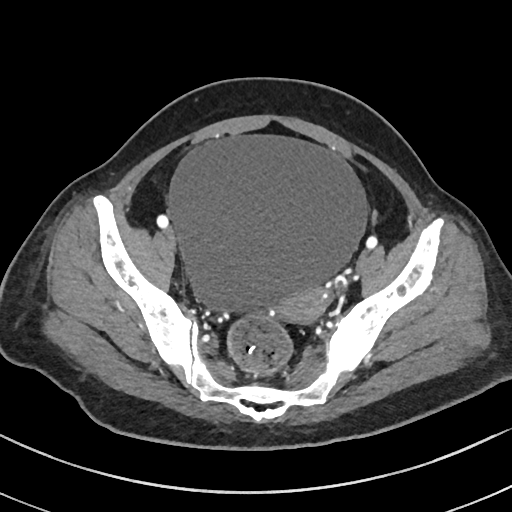 Computed tomography, abdomen · axial plane, index 47
Bounding boxes as [x1, y1, x2, y2] in pixel coordinates.
bladder: [169, 134, 367, 316]
prostate/uterus: [279, 288, 332, 325]